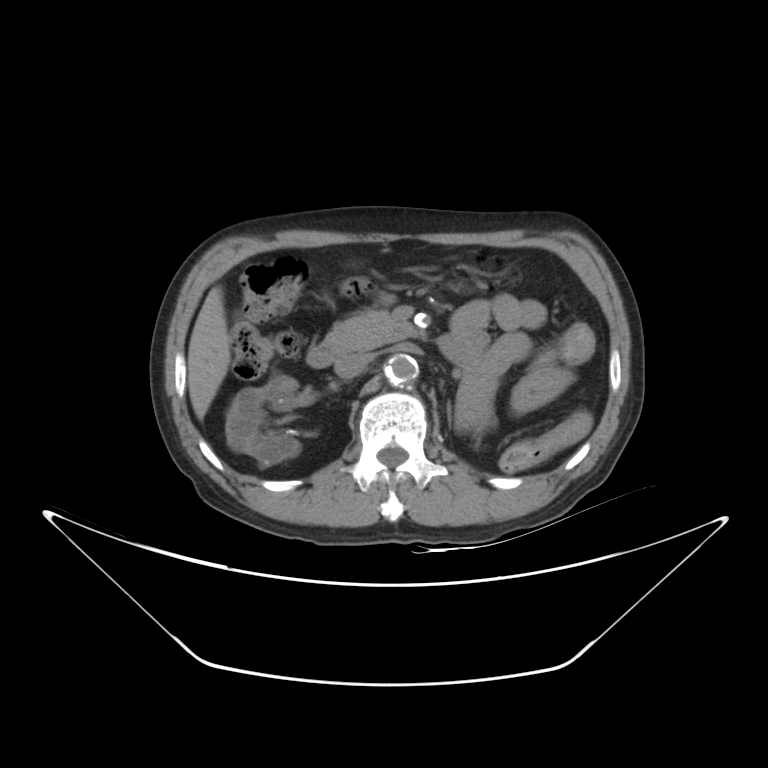
CT abdomen · axial view · soft-tissue window · 768x768 px · 59-year-old male patient
One row per box, in pixels: columns x1 and y1 give the top-left corner, x2 and y2 the bottom-right.
| organ | x1 | y1 | x2 | y2 |
|---|---|---|---|---|
| right kidney | 225 | 373 | 300 | 465 |
| liver | 188 | 287 | 231 | 420 |
| aorta | 385 | 354 | 418 | 386 |
| inferior vena cava | 334 | 352 | 371 | 378 |
| pancreas | 323 | 307 | 413 | 350 |
| duodenum | 306 | 345 | 339 | 367 |